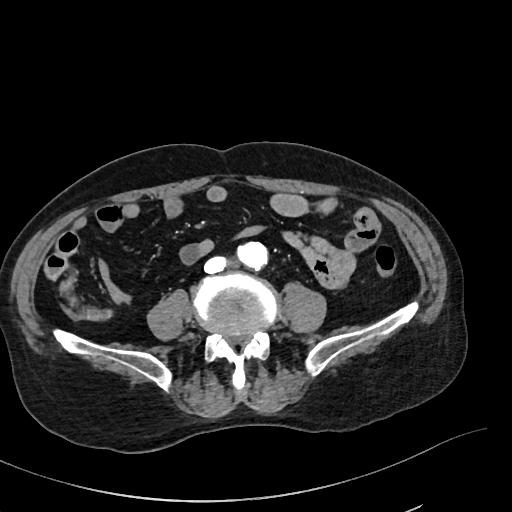

CT, abdomen/pelvis · axial plane, index 98
Boxes are (x1, y1, x2, y2) in pixels. The annotated organs in this slice are: aorta at (237, 242, 267, 269), inferior vena cava at (203, 255, 227, 273).